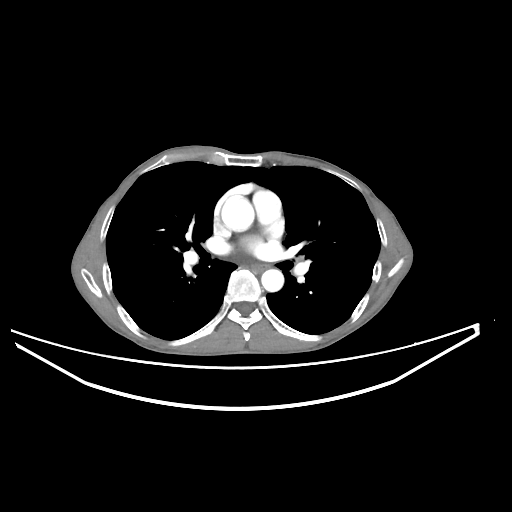

CT of the abdomen extending into the chest, slice through the chest; axial view; 512x512 px; 60-year-old male patient; 15 organs annotated in this scan (a whole-scan count: organs this slice does not pass through have no box)
At this level of the chest this dataset labels only the esophagus and the aorta, and each is boxed only where it is labeled; the heart and lungs are never labeled.
{"organs":{"esophagus":[252,265,265,273],"aorta":[[221,196,254,231],[261,269,283,291]]}}